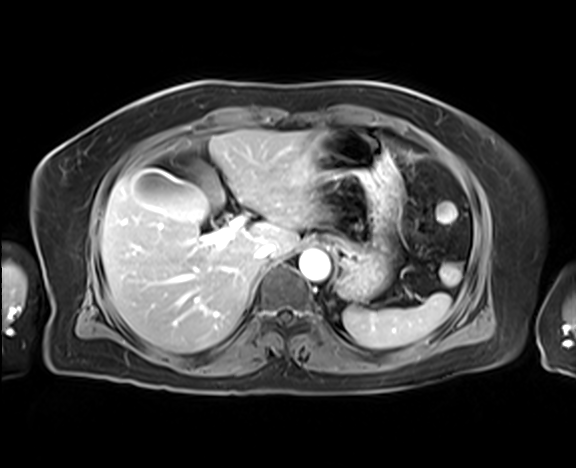

MRI, abdomen · axial view
{"organs":{"spleen":[343,293,450,348],"gall bladder":[128,167,210,223],"liver":[101,130,319,352],"stomach":[312,126,402,301],"aorta":[299,249,330,281],"inferior vena cava":[256,243,275,261]}}